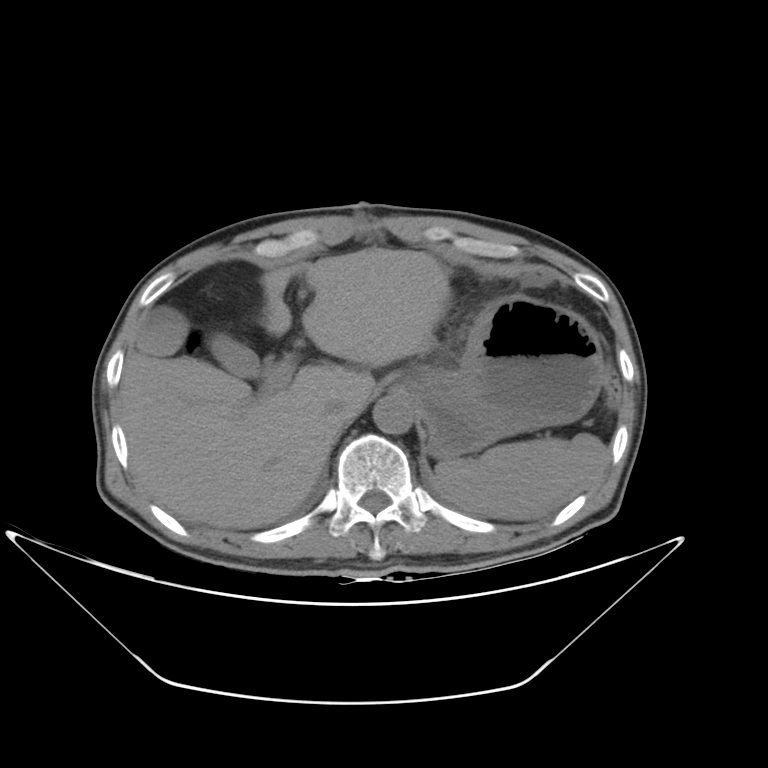 Abdominal CT · axial view · 768x768 px · Brilliance16 scanner · scan has 15 labeled organs (that count is for the whole scan; organs this slice misses have no box)
{"organs":{"gall bladder":[136,306,258,377],"inferior vena cava":[326,398,350,421],"stomach":[397,295,604,458],"liver":[118,248,450,529],"spleen":[435,432,608,520],"aorta":[373,394,412,434]}}